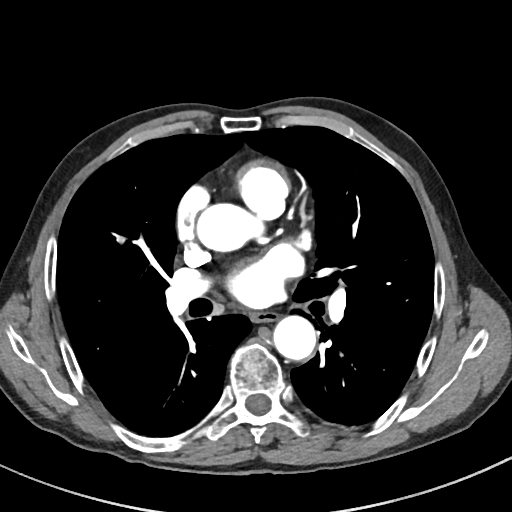
Chest-level slice from an abdominal CT that extends up into the chest; axial plane, index 238; soft-tissue window, W/L 400/40; 512x512 px; scan has 15 labeled organs (a whole-scan count: organs this slice does not pass through have no box)
On a slice this high in the chest, this dataset labels only the esophagus and the aorta, and each is boxed only where it is labeled; the heart, lungs and other chest structures are not labeled.
<organs><organ name="esophagus" x1="251" y1="311" x2="280" y2="323"/><organ name="aorta" x1="196" y1="203" x2="264" y2="251"/><organ name="aorta" x1="273" y1="316" x2="316" y2="360"/></organs>